CT abdomen — axial plane, index 65 — soft-tissue window — 768x768 px — 59-year-old male patient — 15 organs annotated in this scan (a whole-scan count: organs this slice does not pass through have no box)
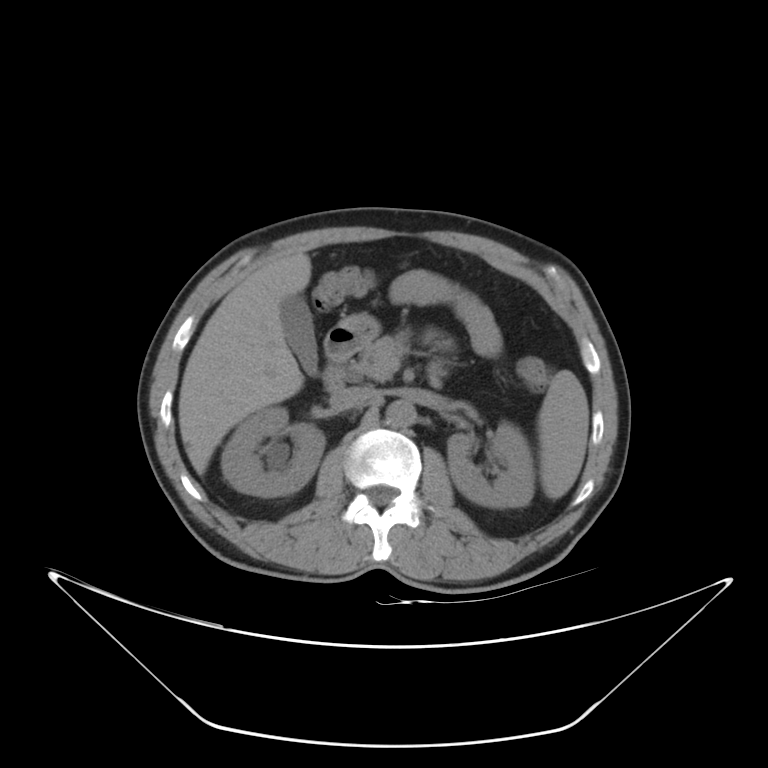

Boxes: x1:y1:x2:y2 in pixels.
Organ bounding boxes:
- stomach: 343:313:379:342
- left kidney: 447:421:533:508
- aorta: 387:401:415:427
- spleen: 537:370:588:499
- inferior vena cava: 331:387:379:409
- duodenum: 322:322:364:391
- pancreas: 345:331:410:380
- liver: 179:252:311:474
- right kidney: 221:407:324:496
- gall bladder: 280:295:318:374